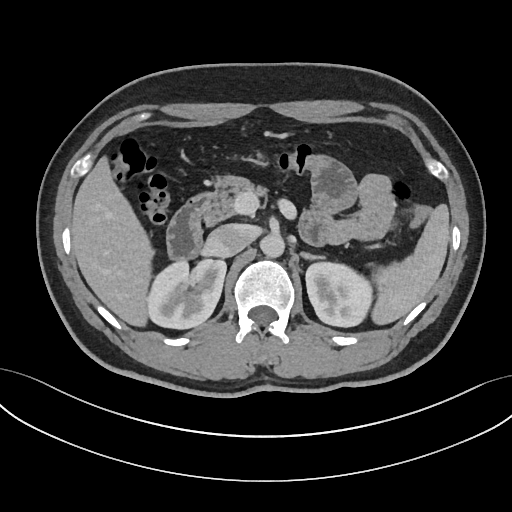

Abdominal CT — axial plane, index 182 — soft-tissue window (W 400 / L 40) — 512x512 px
Boxes: x1 y1 x2 y2 (pixel coords, space-separated).
spleen: 372 203 450 326
right kidney: 149 259 226 329
left kidney: 306 261 372 326
liver: 70 155 151 328
aorta: 261 233 284 258
inferior vena cava: 205 224 255 257
pancreas: 205 176 267 221
left adrenal gland: 299 253 325 259
duodenum: 167 190 213 259